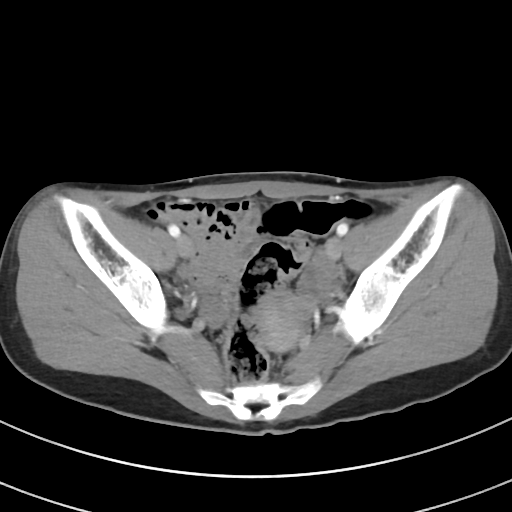
CT, abdomen/pelvis. axial view. scan has 15 labeled organs (that count is for the whole scan; organs this slice misses have no box)
Bounding boxes as [x1, y1, x2, y2] in pixel coordinates.
prostate/uterus: [258, 293, 310, 351]